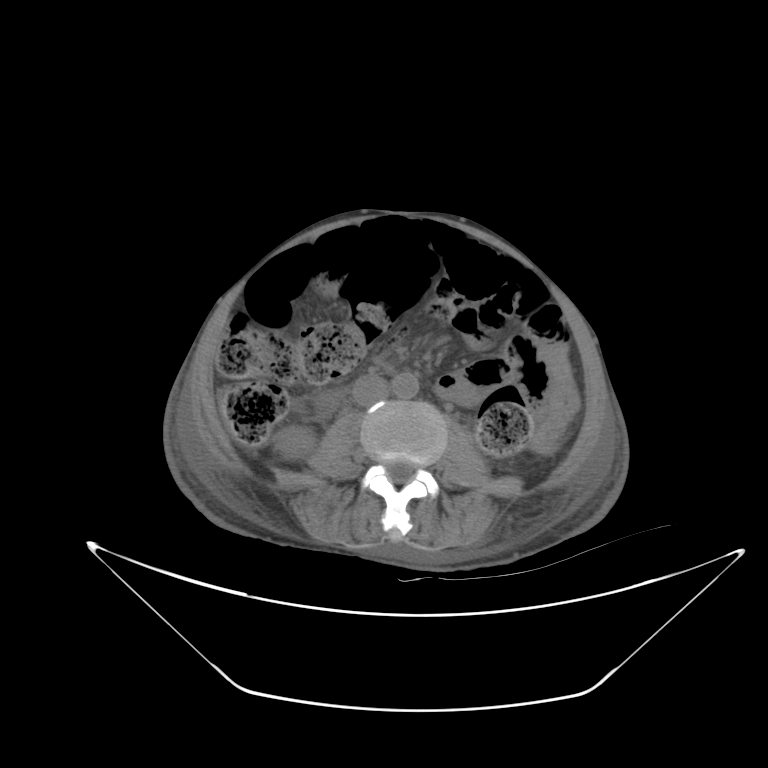
Computed tomography, abdomen; axial view; acquired on Brilliance16
<organs><organ name="right kidney" x1="274" y1="426" x2="315" y2="460"/><organ name="aorta" x1="391" y1="372" x2="419" y2="399"/><organ name="inferior vena cava" x1="352" y1="374" x2="389" y2="406"/></organs>